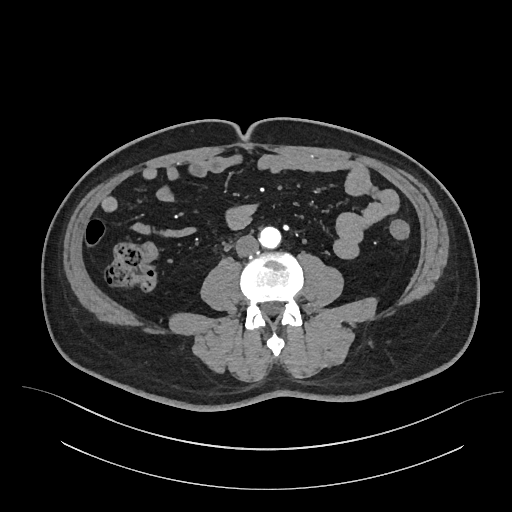

Abdominal CT. axial view
<organs><organ name="aorta" x1="259" y1="227" x2="281" y2="248"/><organ name="inferior vena cava" x1="236" y1="234" x2="258" y2="256"/></organs>